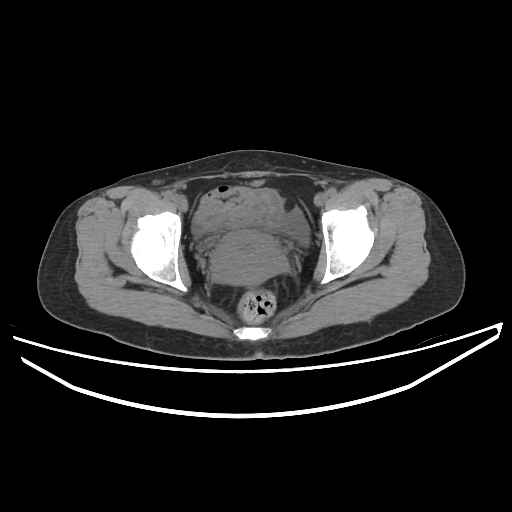
Abdominal CT. axial view. scan has 15 labeled organs (that count is for the whole scan; organs this slice misses have no box)
Each box given as x1,y1,x2,y2.
Organ bounding boxes:
- bladder: x1=251, y1=179, x2=263, y2=187
- prostate/uterus: x1=211, y1=230, x2=286, y2=284